Computed tomography, abdomen — axial view — W/L 400/40 HU — 75-year-old female patient
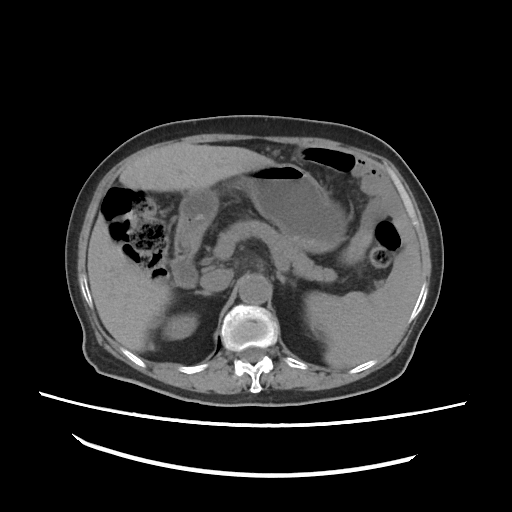

Each box given as x1,y1,x2,y2. The annotated organs in this slice are: spleen at x1=305, y1=240, x2=422, y2=368, right kidney at x1=161, y1=313, x2=198, y2=339, liver at x1=88, y1=142, x2=273, y2=350, stomach at x1=174, y1=163, x2=346, y2=258, aorta at x1=239, y1=275, x2=270, y2=303, inferior vena cava at x1=201, y1=269, x2=233, y2=291, pancreas at x1=216, y1=219, x2=336, y2=281, right adrenal gland at x1=195, y1=290, x2=211, y2=295, left adrenal gland at x1=276, y1=271, x2=294, y2=285, duodenum at x1=173, y1=226, x2=203, y2=288.